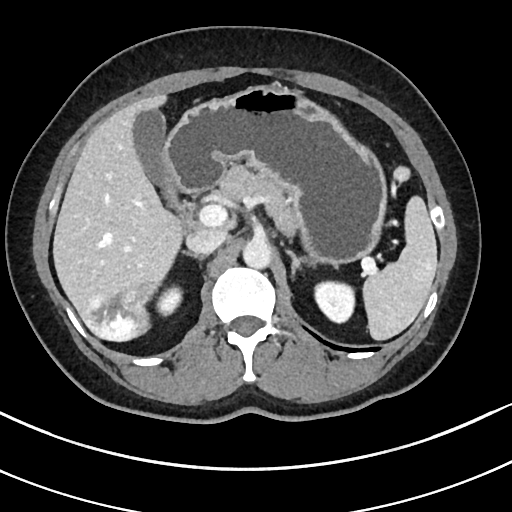

Computed tomography, abdomen; axial plane, index 154; soft-tissue window (W 400 / L 40); 512x512 px
Bounding boxes in pixels, one row per box: x1, y1 is the top-left corner and x2, y2 the bottom-right.
| organ | x1 | y1 | x2 | y2 |
|---|---|---|---|---|
| spleen | 363 | 196 | 437 | 340 |
| right kidney | 157 | 286 | 182 | 316 |
| left kidney | 315 | 281 | 354 | 322 |
| gall bladder | 133 | 109 | 177 | 208 |
| liver | 53 | 94 | 234 | 341 |
| stomach | 165 | 84 | 385 | 264 |
| aorta | 243 | 238 | 271 | 268 |
| inferior vena cava | 187 | 227 | 226 | 254 |
| pancreas | 217 | 165 | 292 | 232 |
| right adrenal gland | 183 | 250 | 204 | 260 |
| left adrenal gland | 286 | 249 | 316 | 273 |
| duodenum | 176 | 181 | 198 | 232 |